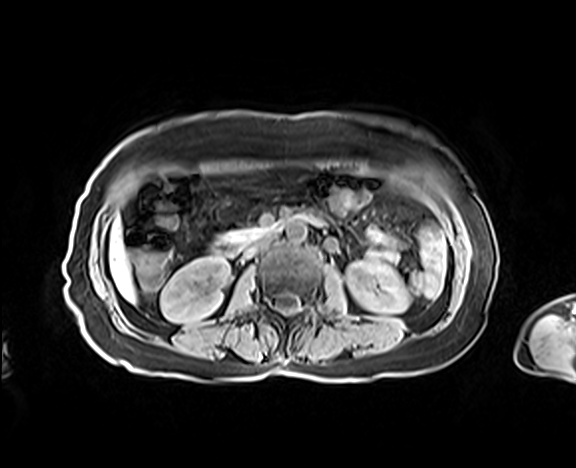

Abdominal MR; Axial slice 18/72; 1st–99th percentile window; 576x468 px
Coordinates as <box>x1,y1,x2,y2</box> in pixels.
Organ bounding boxes:
- right kidney: <box>160,257,230,322</box>
- left kidney: <box>346,260,410,313</box>
- liver: <box>109,218,136,302</box>
- aorta: <box>286,219,307,242</box>
- inferior vena cava: <box>245,235,273,257</box>
- pancreas: <box>219,227,263,241</box>
- duodenum: <box>211,210,316,257</box>